Computed tomography, abdomen; axial view; 39-year-old female patient
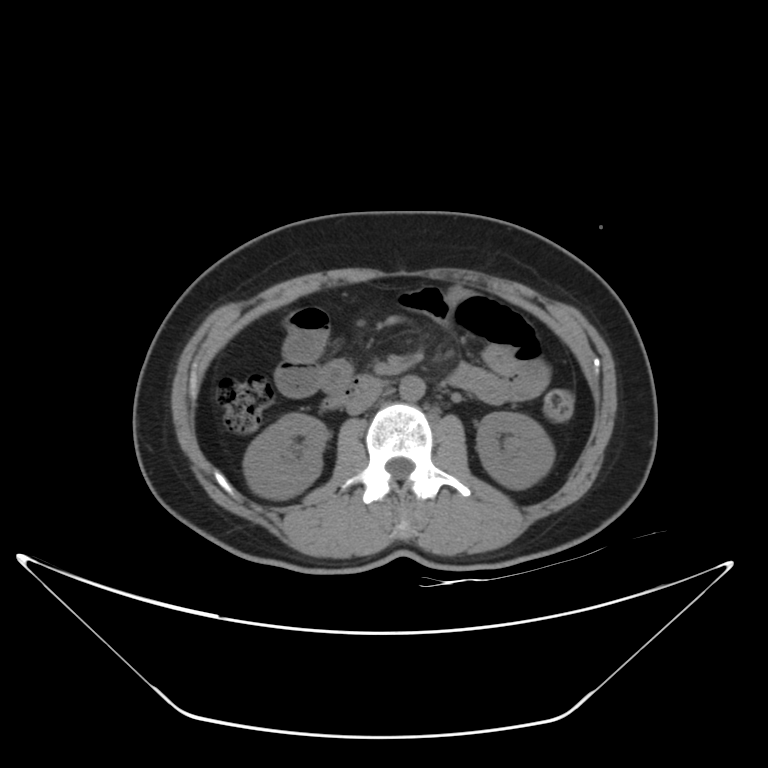

Boxes: x1:y1:x2:y2 in pixels.
right kidney: 243:414:327:498
left kidney: 477:412:555:489
aorta: 399:375:425:400
inferior vena cava: 346:384:382:414
duodenum: 322:376:380:409